CT abdomen — axial view — soft-tissue window — 83-year-old male patient
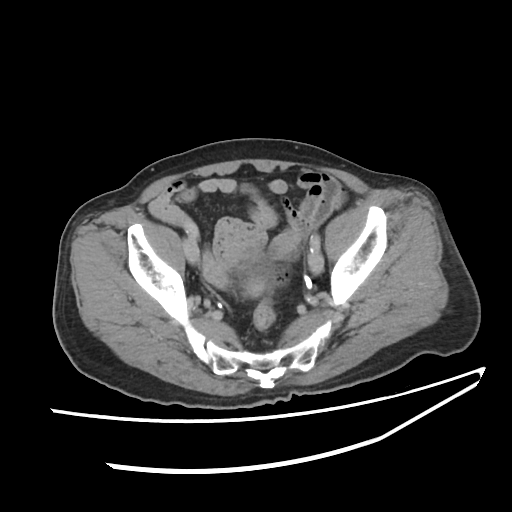

Boxes are (x1, y1, x2, y2) in pixels.
Organ bounding boxes:
- bladder: (239, 258, 277, 299)